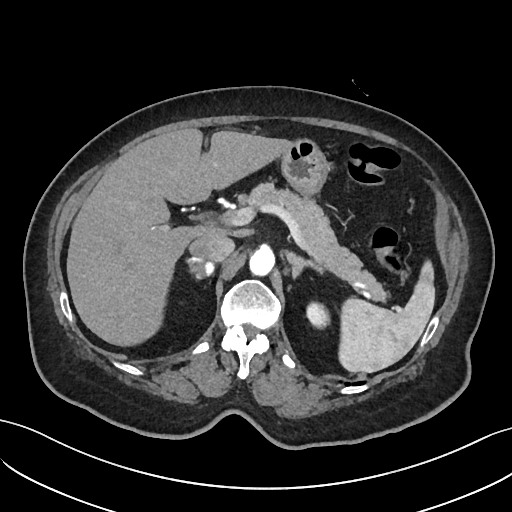
Computed tomography, abdomen — axial view — scan has 15 labeled organs (that count is for the whole scan; organs this slice misses have no box)
Boxes: x1 y1 x2 y2 (pixel coords, space-separated).
Organ bounding boxes:
- left adrenal gland: 286 252 324 276
- inferior vena cava: 189 234 233 262
- left kidney: 307 303 327 326
- liver: 66 128 293 347
- right adrenal gland: 185 258 215 275
- spleen: 339 259 435 372
- pancreas: 248 183 386 302
- aorta: 249 248 274 277
- stomach: 281 140 328 197